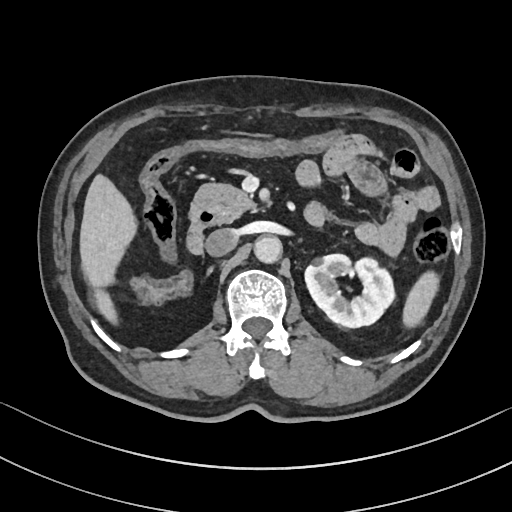
Computed tomography, abdomen · axial view · W/L 400/40 HU
Boxes are (x1, y1, x2, y2) in pixels.
Organ bounding boxes:
- inferior vena cava: (205, 228, 238, 256)
- spleen: (402, 271, 439, 327)
- pancreas: (190, 182, 254, 223)
- duodenum: (186, 212, 214, 254)
- aorta: (254, 236, 282, 263)
- liver: (80, 174, 136, 324)
- left kidney: (305, 254, 395, 327)